Abdominal CT — axial view — 512x512 px
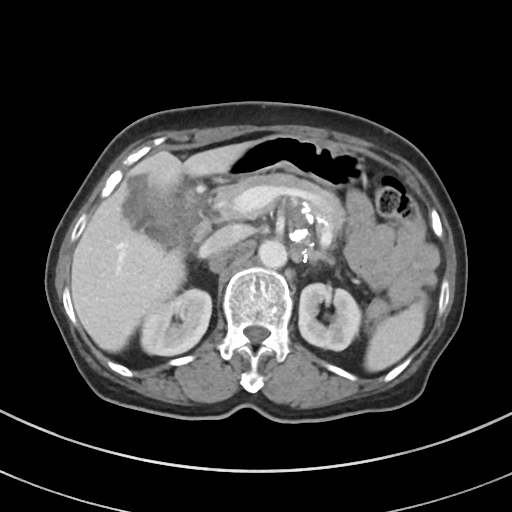

<organs><organ name="spleen" x1="364" y1="302" x2="424" y2="371"/><organ name="right kidney" x1="140" y1="289" x2="211" y2="355"/><organ name="left kidney" x1="298" y1="283" x2="361" y2="350"/><organ name="gall bladder" x1="123" y1="176" x2="178" y2="244"/><organ name="liver" x1="71" y1="142" x2="254" y2="352"/><organ name="stomach" x1="151" y1="136" x2="363" y2="235"/><organ name="aorta" x1="258" y1="240" x2="287" y2="268"/><organ name="inferior vena cava" x1="200" y1="226" x2="243" y2="256"/><organ name="pancreas" x1="214" y1="173" x2="344" y2="235"/><organ name="left adrenal gland" x1="309" y1="251" x2="333" y2="264"/></organs>